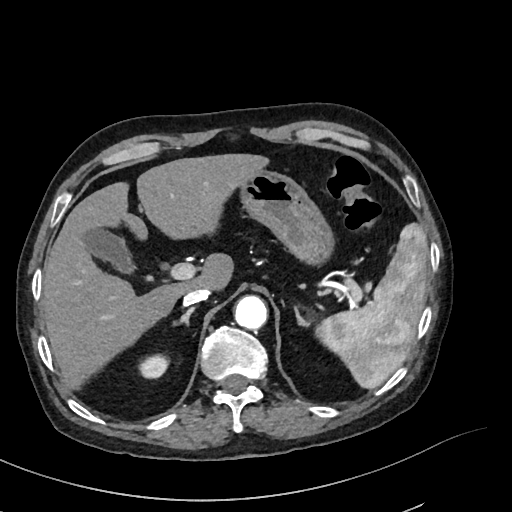 Computed tomography, abdomen — Axial slice 183/235 — 15 organs annotated in this scan (a whole-scan count: organs this slice does not pass through have no box)
Bounding boxes in pixels, one row per box: x1, y1 is the top-left corner and x2, y2 the bottom-right.
| organ | x1 | y1 | x2 | y2 |
|---|---|---|---|---|
| stomach | 241 | 171 | 331 | 265 |
| aorta | 234 | 296 | 267 | 330 |
| left adrenal gland | 295 | 309 | 308 | 326 |
| liver | 43 | 153 | 270 | 390 |
| spleen | 316 | 223 | 427 | 388 |
| right adrenal gland | 171 | 308 | 193 | 328 |
| right kidney | 141 | 356 | 166 | 378 |
| inferior vena cava | 182 | 288 | 209 | 306 |
| gall bladder | 83 | 228 | 136 | 274 |